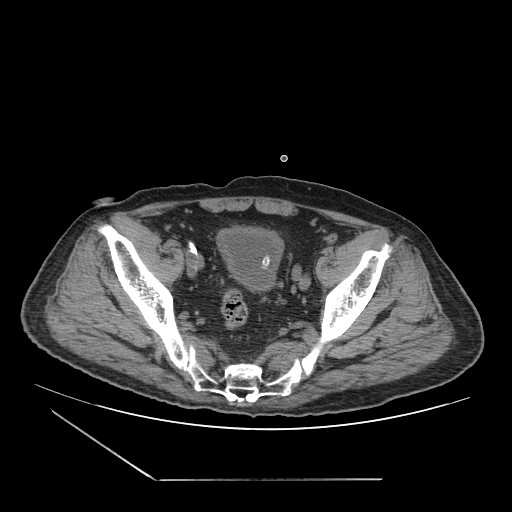
CT, abdomen/pelvis; axial plane, index 41; W/L 400/40 HU; 512x512 px; scan has 15 labeled organs (counted over the whole 3D scan, not this slice; an organ is boxed only where this slice passes through it)
Coordinates as <box>x1,y1,x2,y2</box> in pixels.
bladder: <box>216,225,284,293</box>